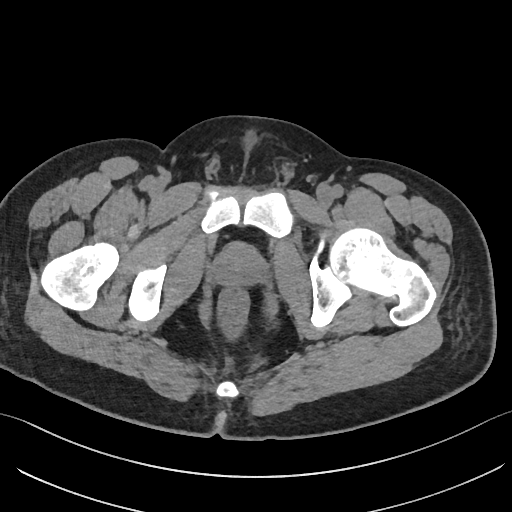
Abdominal CT · Axial slice 13/234 · 512x512 px · 15 organs annotated in this scan (a whole-scan count: organs this slice does not pass through have no box)
{"organs":{"prostate/uterus":[215,243,262,285]}}